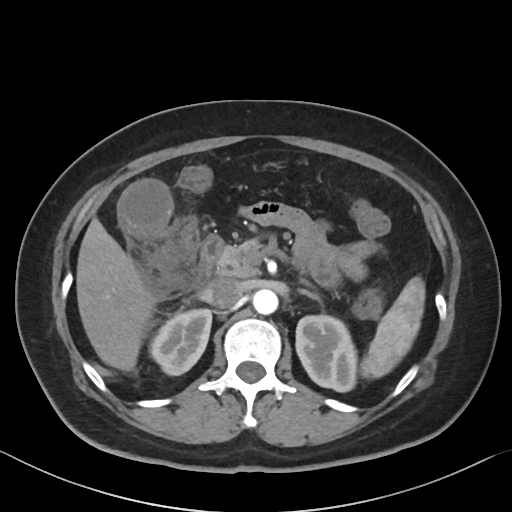

Computed tomography, abdomen — Axial slice 59/88 — 512x512 px
{"organs":{"spleen":[361,276,425,378],"right kidney":[149,308,212,375],"left kidney":[296,315,356,392],"gall bladder":[118,180,183,236],"liver":[76,218,156,371],"aorta":[252,289,278,314],"inferior vena cava":[203,277,243,308],"pancreas":[215,239,261,277],"left adrenal gland":[302,291,319,300],"duodenum":[197,235,223,286]}}